Computed tomography, abdomen · axial view · abdomen soft-tissue window · 512x512 px · Aquilion ONE scanner
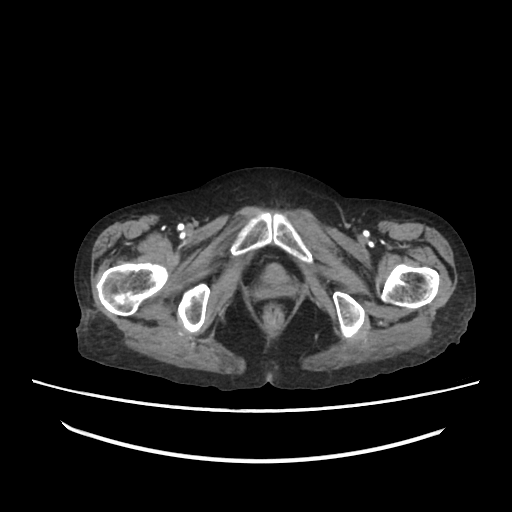
{"organs":{"bladder":[261,276,290,283]}}